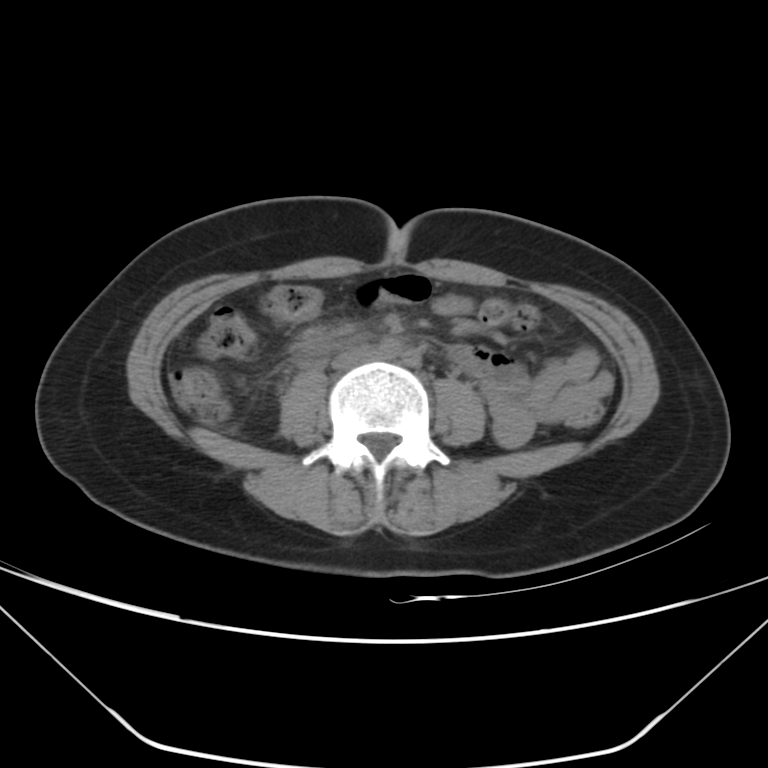 Abdominal CT. axial view. 15 organs annotated in this scan (counted over the whole 3D scan, not this slice; an organ is boxed only where this slice passes through it)
{"organs":{"inferior vena cava":[332,347,376,369]}}